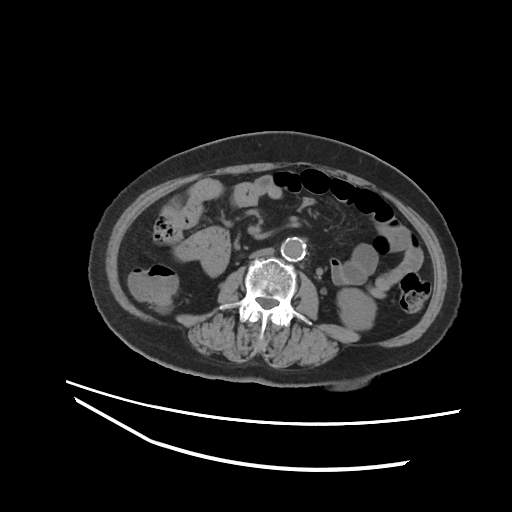 Abdominal CT · axial view · soft-tissue window · 512x512 px
Each box given as x1,y1,x2,y2.
left kidney: x1=337, y1=288, x2=375, y2=329
aorta: x1=281, y1=237, x2=305, y2=260
inferior vena cava: x1=249, y1=247, x2=274, y2=258